Computed tomography, abdomen; axial view; soft-tissue window; 512x512 px; 45-year-old male patient
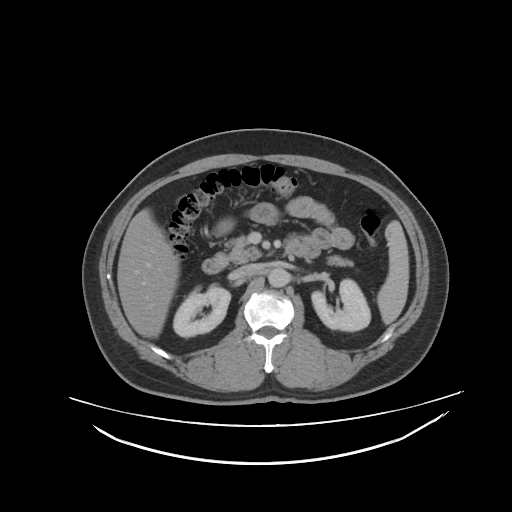
Boxes: x1 y1 x2 y2 (pixel coords, space-separated).
spleen: 377 220 408 325
right kidney: 173 288 230 336
left kidney: 311 278 371 330
liver: 117 207 180 338
stomach: 214 219 233 236
aorta: 267 268 288 287
inferior vena cava: 238 263 256 275
pancreas: 231 236 353 267
duodenum: 202 240 309 274